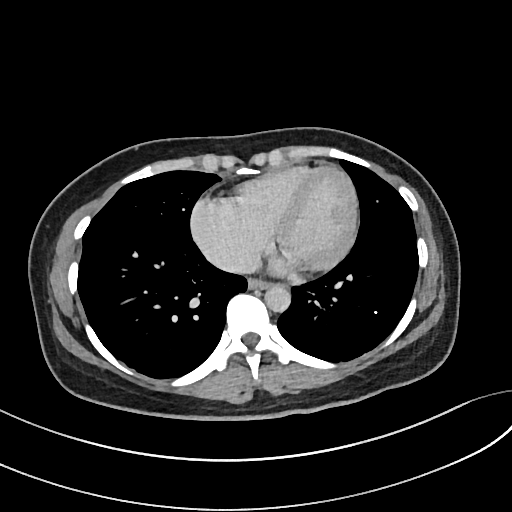 CT of the abdomen reaching into the lower chest, slice just above the liver and spleen — axial view — soft-tissue window
No part of the heart or lungs is labeled in this dataset, so neither has a box here.
Each box given as x1,y1,x2,y2.
Organ bounding boxes:
- esophagus: x1=248, y1=278, x2=271, y2=288
- aorta: x1=264, y1=283, x2=290, y2=311
- inferior vena cava: x1=214, y1=251, x2=258, y2=273